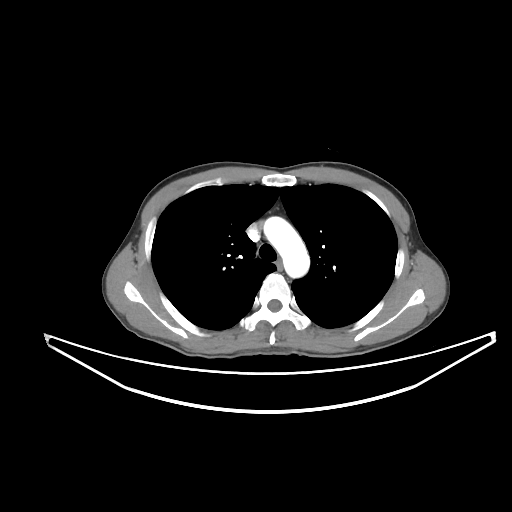
Abdominal CT reaching into the chest; this slice is in the chest · axial view · scan has 15 labeled organs (counted over the whole 3D scan, not this slice; an organ is boxed only where this slice passes through it)
On a slice this high in the chest, this dataset labels only the esophagus and the aorta, and each is boxed only where it is labeled; the heart, lungs and other chest structures are not labeled.
One row per box, in pixels: columns x1 and y1 give the top-left corner, x2 and y2 the bottom-right.
| organ | x1 | y1 | x2 | y2 |
|---|---|---|---|---|
| esophagus | 275 | 259 | 284 | 271 |
| aorta | 263 | 216 | 309 | 277 |